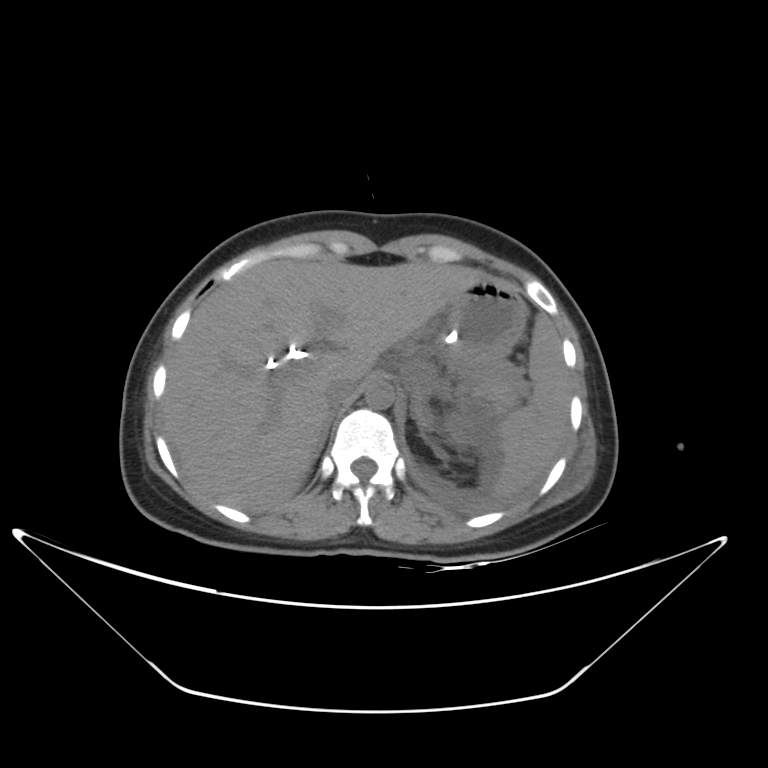

Abdominal CT; axial plane, index 75; 768x768 px
Boxes: x1:y1:x2:y2 in pixels.
Organ bounding boxes:
- stomach: 432:279:527:368
- right adrenal gland: 318:405:340:451
- aorta: 365:381:394:409
- inferior vena cava: 324:375:358:406
- pancreas: 463:369:517:403
- liver: 159:259:486:512
- spleen: 496:314:570:494
- left adrenal gland: 410:401:429:437